CT of the abdomen reaching into the lower chest, slice just above the liver and spleen · Axial slice 98/101 · 15 organs annotated in this scan (counted over the whole 3D scan, not this slice; an organ is boxed only where this slice passes through it)
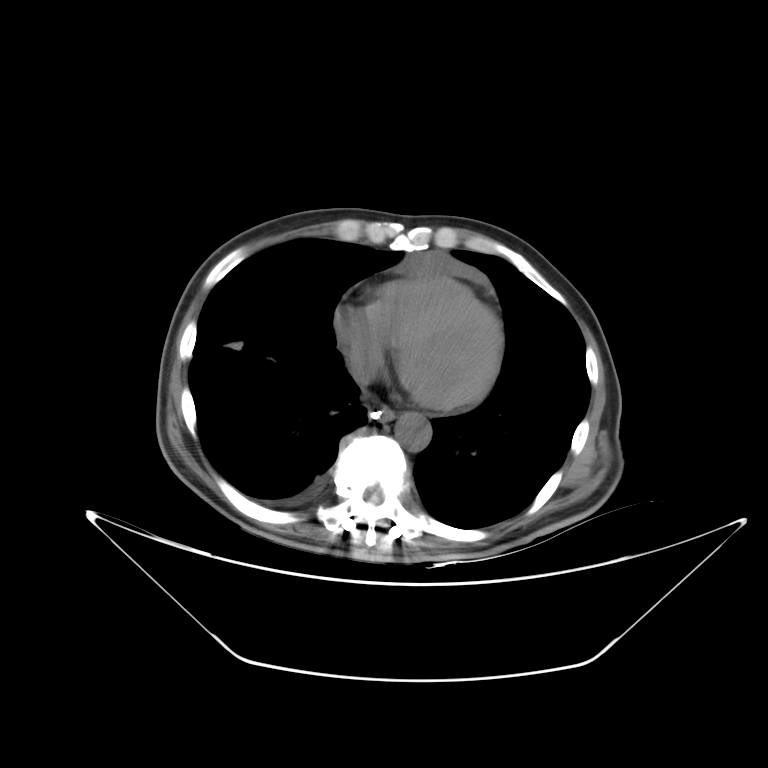

No part of the heart or lungs is labeled in this dataset, so neither has a box here.
Box edges are left/top/right/bottom in pixels.
esophagus: left=369, top=406, right=393, bottom=420
aorta: left=395, top=413, right=431, bottom=450